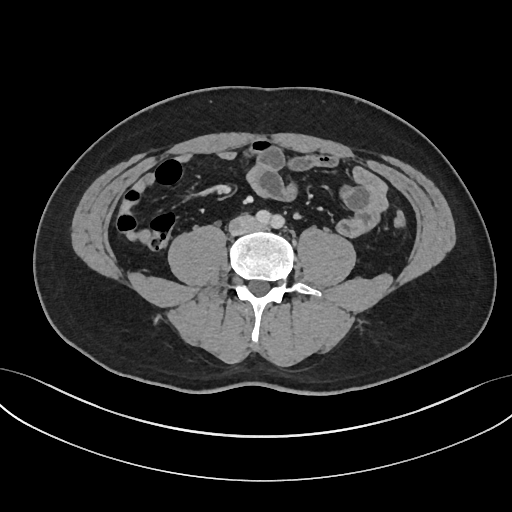
Computed tomography, abdomen; axial plane, index 118; W/L 400/40 HU; 512x512 px
Boxes: x1 y1 x2 y2 (pixel coords, space-separated).
Organ bounding boxes:
- inferior vena cava: 229 214 259 235
- aorta: 256 210 284 228